MRI of the abdomen reaching into the lower chest, slice just above the liver and spleen · axial view · 576x468 px · acquired on Prisma · scan has 13 labeled organs (counted over the whole 3D scan, not this slice; an organ is boxed only where this slice passes through it)
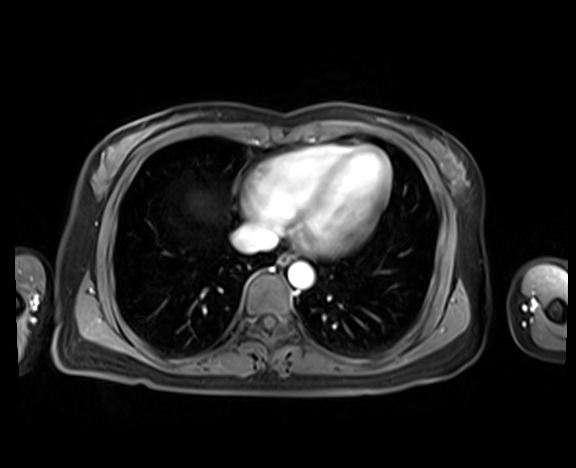
The heart and lungs are never labeled in this dataset, so they have no box on this slice.
Box edges are left/top/right/bottom in pixels.
aorta: left=288, top=262, right=314, bottom=289
inferior vena cava: left=232, top=223, right=278, bottom=252
esophagus: left=278, top=254, right=293, bottom=264